Abdominal CT; Axial slice 14/80; 62-year-old female patient
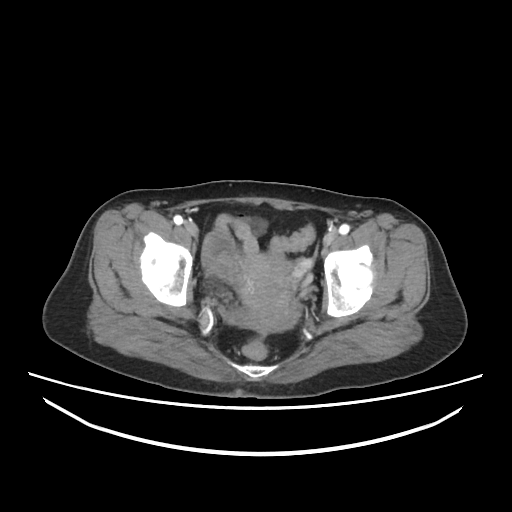
Bounding boxes in pixels, one row per box: x1, y1 is the top-left corner and x2, y2 the bottom-right.
| organ | x1 | y1 | x2 | y2 |
|---|---|---|---|---|
| prostate/uterus | 245 | 253 | 294 | 313 |